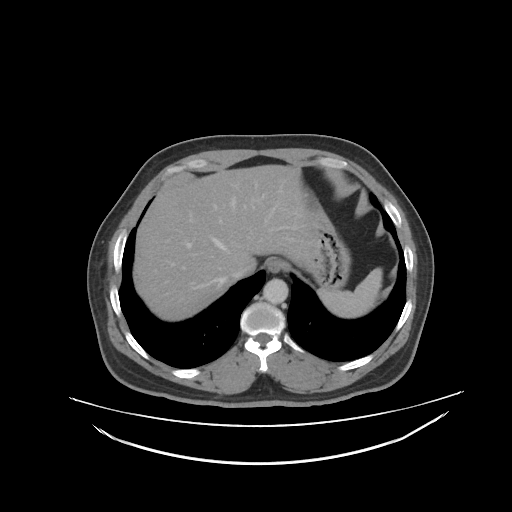 Abdominal CT — axial view — scan has 15 labeled organs (that count is for the whole scan; organs this slice misses have no box)
<organs><organ name="spleen" x1="318" y1="268" x2="382" y2="317"/><organ name="esophagus" x1="266" y1="258" x2="285" y2="273"/><organ name="liver" x1="133" y1="165" x2="311" y2="322"/><organ name="stomach" x1="305" y1="194" x2="350" y2="288"/><organ name="aorta" x1="263" y1="278" x2="288" y2="304"/><organ name="inferior vena cava" x1="231" y1="262" x2="246" y2="278"/></organs>